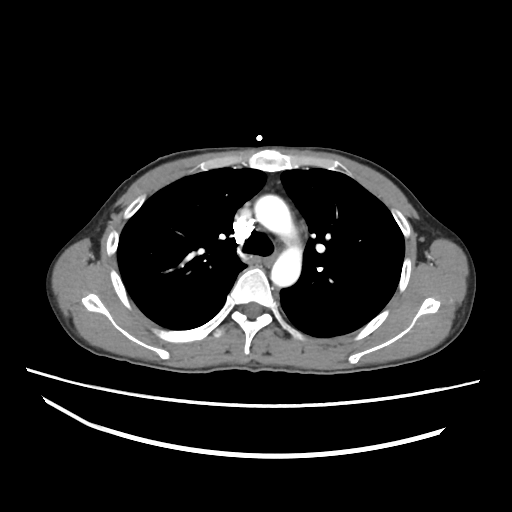
CT of the abdomen extending into the chest, slice through the chest · axial view · 512x512 px · 40-year-old male patient · Aquilion ONE scanner · scan has 15 labeled organs (counted over the whole 3D scan, not this slice; an organ is boxed only where this slice passes through it)
On a slice this high in the chest, this dataset labels only the esophagus and the aorta, and each is boxed only where it is labeled; the heart, lungs and other chest structures are not labeled.
Bounding boxes in pixels, one row per box: x1, y1 is the top-left corner and x2, y2 the bottom-right.
| organ | x1 | y1 | x2 | y2 |
|---|---|---|---|---|
| aorta | 254 | 194 | 302 | 286 |